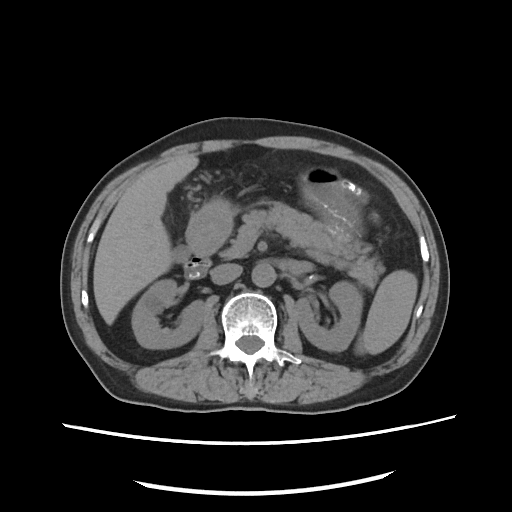
Abdominal CT · axial view
Organ boxes in pixel coordinates; each row gives the top-left (x1, y1) and bottom-right (x2, y2) corners.
| organ | x1 | y1 | x2 | y2 |
|---|---|---|---|---|
| spleen | 355 | 270 | 417 | 354 |
| right kidney | 132 | 279 | 205 | 348 |
| left kidney | 295 | 281 | 362 | 351 |
| gall bladder | 172 | 246 | 190 | 262 |
| liver | 93 | 154 | 198 | 324 |
| stomach | 186 | 166 | 361 | 257 |
| aorta | 252 | 263 | 275 | 287 |
| inferior vena cava | 210 | 263 | 242 | 284 |
| pancreas | 222 | 205 | 384 | 288 |
| duodenum | 184 | 215 | 231 | 278 |